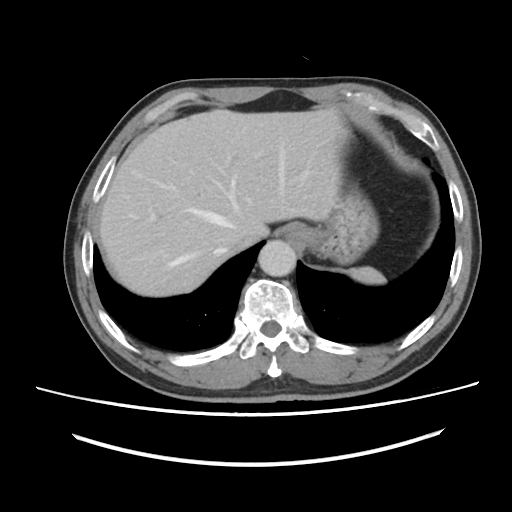 Computed tomography, abdomen. axial plane, index 76. soft-tissue window (W 400 / L 40). 512x512 px. 58-year-old male patient
Boxes: x1:y1:x2:y2 in pixels. The annotated organs in this slice are: stomach at 308:188:378:263, liver at 99:109:345:296, esophagus at 280:222:311:245, aorta at 258:240:296:276, inferior vena cava at 235:231:263:249, spleen at 346:266:385:284.